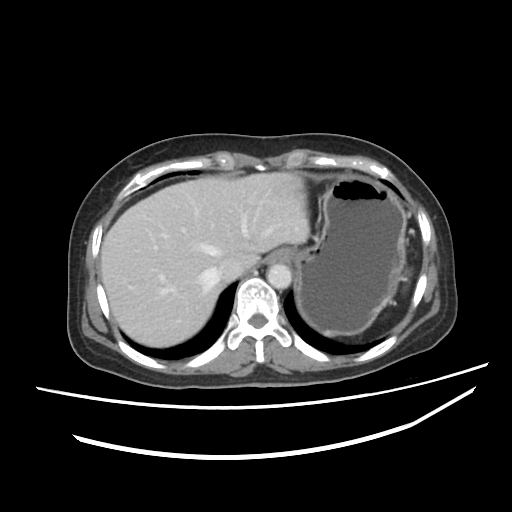 Abdominal CT · axial view · W/L 400/40 HU · 54-year-old female patient
Coordinates as <box>x1,y1,x2,y2</box> in pixels.
stomach: <box>291,175,407,335</box>
esophagus: <box>265,249,290,264</box>
inferior vena cava: <box>215,258,245,281</box>
aorta: <box>266,263,291,288</box>
liver: <box>100,172,309,347</box>